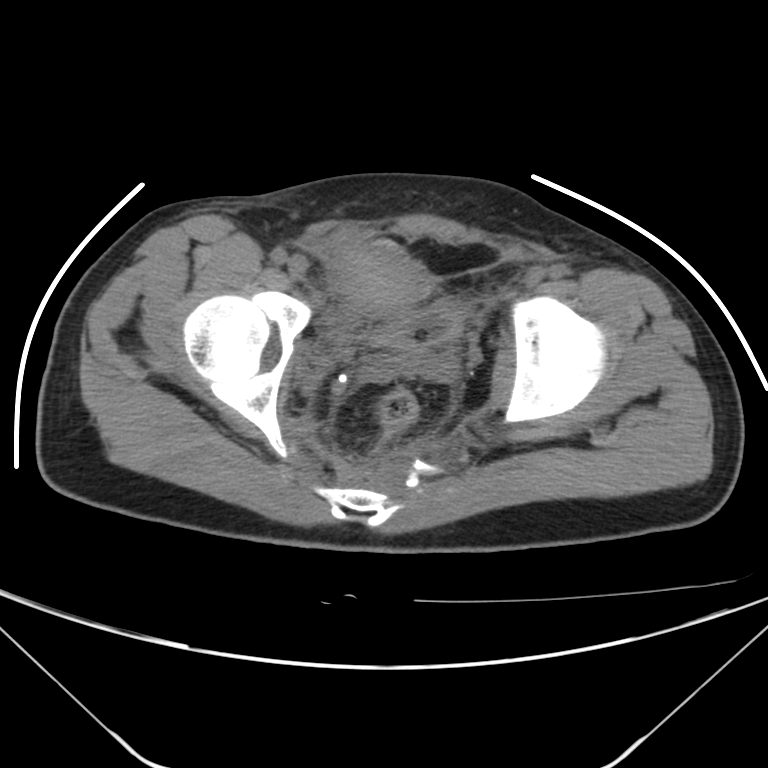

Abdominal CT · axial view · abdomen soft-tissue window · 768x768 px
Boxes: x1 y1 x2 y2 (pixel coords, space-separated).
Organ bounding boxes:
- bladder: 369 304 461 346